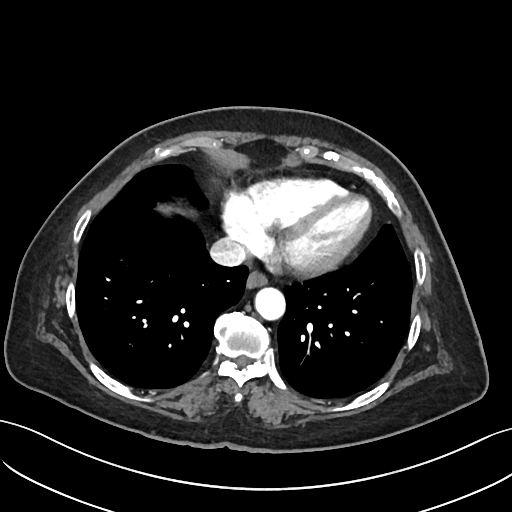
Lower-chest slice from an abdominal CT, just above the liver and spleen · axial view · acquired on SOMATOM Force
Of the structures in the chest, this dataset labels only the esophagus, the aorta and the inferior vena cava; the heart and lungs have no label.
Bounding boxes in pixels, one row per box: x1, y1 is the top-left corner and x2, y2 the bottom-right.
| organ | x1 | y1 | x2 | y2 |
|---|---|---|---|---|
| esophagus | 247 | 270 | 268 | 286 |
| aorta | 254 | 286 | 285 | 318 |
| inferior vena cava | 209 | 237 | 246 | 266 |